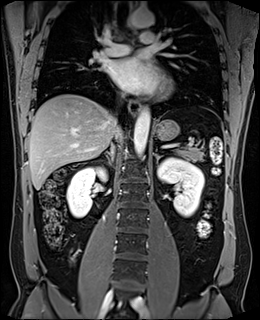
Abdominal MRI · coronal plane, index 62 · 1st–99th percentile window · acquired on Prisma
<organs><organ name="right kidney" x1="67" y1="167" x2="106" y2="217"/><organ name="left kidney" x1="157" y1="157" x2="204" y2="216"/><organ name="esophagus" x1="129" y1="100" x2="140" y2="115"/><organ name="liver" x1="28" y1="94" x2="122" y2="189"/><organ name="stomach" x1="155" y1="119" x2="179" y2="141"/><organ name="aorta" x1="133" y1="108" x2="150" y2="156"/><organ name="aorta" x1="127" y1="10" x2="154" y2="27"/><organ name="inferior vena cava" x1="111" y1="114" x2="118" y2="141"/><organ name="pancreas" x1="176" y1="148" x2="204" y2="161"/><organ name="right adrenal gland" x1="105" y1="146" x2="113" y2="160"/><organ name="left adrenal gland" x1="155" y1="154" x2="163" y2="164"/></organs>